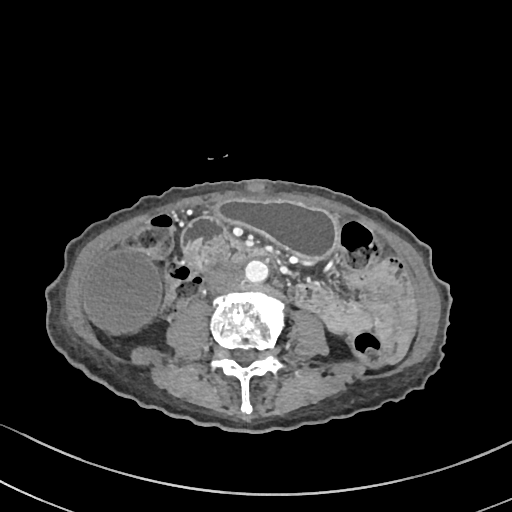

Abdominal CT — axial view — soft-tissue window — SOMATOM Force scanner — 15 organs annotated in this scan (a whole-scan count: organs this slice does not pass through have no box)
Boxes are (x1, y1, x2, y2) in pixels. Labeled organs on this slice: gall bladder at (83, 249, 160, 334), stomach at (216, 200, 337, 259), aorta at (245, 260, 268, 282), inferior vena cava at (207, 266, 243, 293), duodenum at (180, 218, 263, 267).